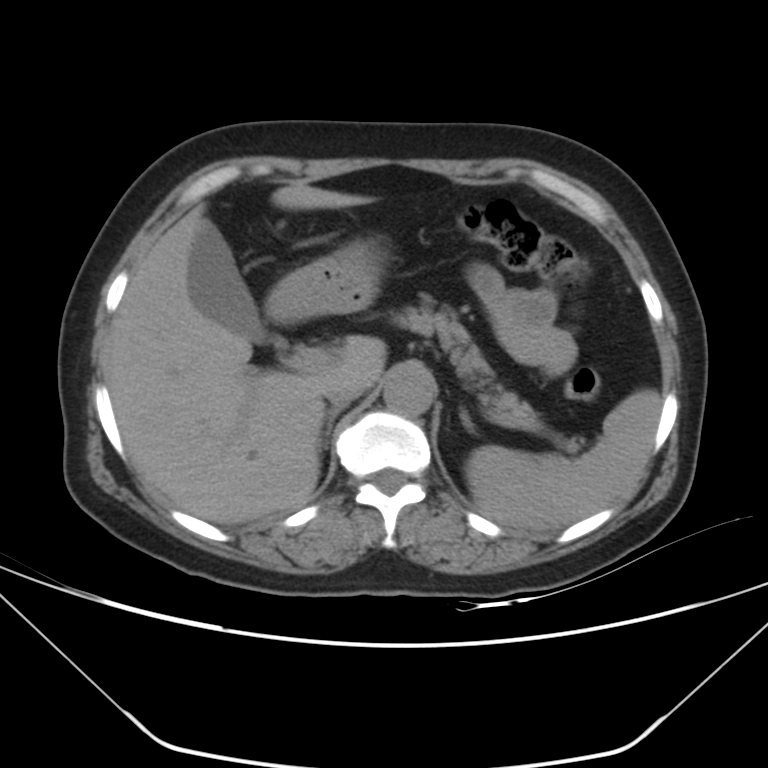

Computed tomography, abdomen. axial view. soft-tissue window (W 400 / L 40). 768x768 px. 40-year-old male patient
<organs><organ name="spleen" x1="465" y1="390" x2="660" y2="533"/><organ name="gall bladder" x1="187" y1="222" x2="280" y2="344"/><organ name="liver" x1="104" y1="183" x2="385" y2="524"/><organ name="stomach" x1="265" y1="246" x2="377" y2="320"/><organ name="aorta" x1="383" y1="367" x2="435" y2="415"/><organ name="inferior vena cava" x1="324" y1="378" x2="364" y2="407"/><organ name="pancreas" x1="393" y1="306" x2="538" y2="418"/><organ name="right adrenal gland" x1="324" y1="408" x2="343" y2="436"/></organs>